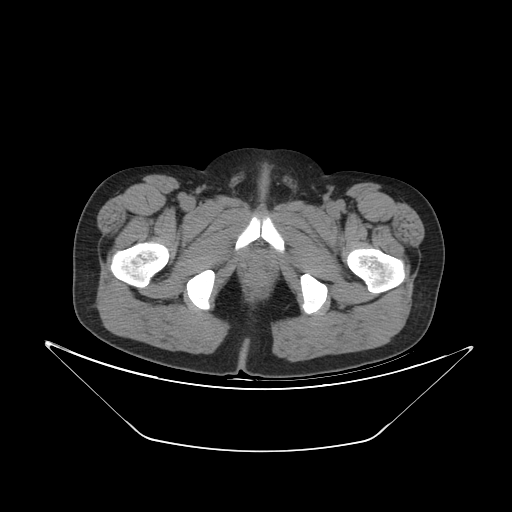 Computed tomography, abdomen · axial view
{"organs":{"prostate/uterus":[251,251,267,265]}}